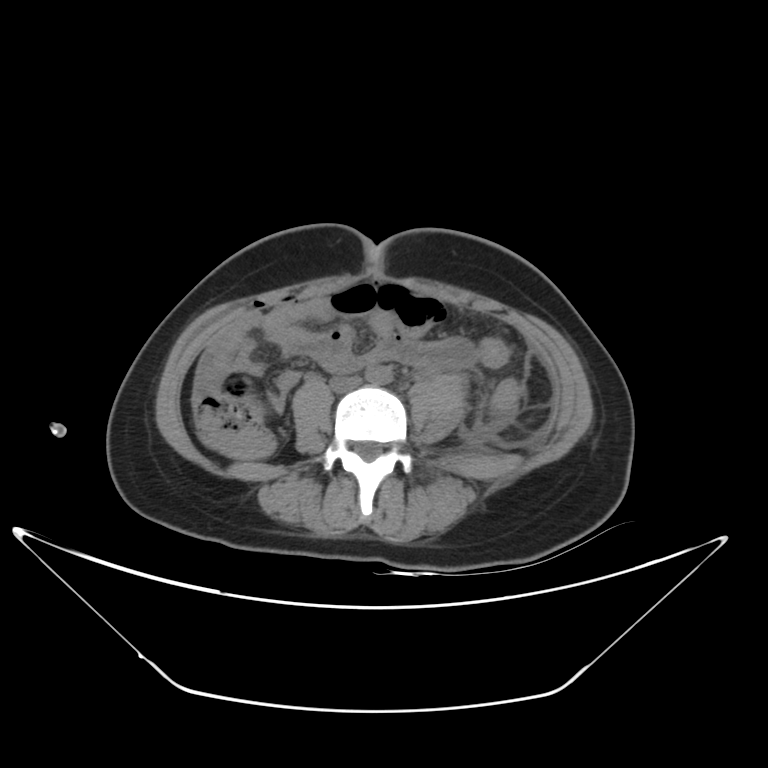

CT abdomen. axial view. soft-tissue window (W 400 / L 40)
<organs><organ name="aorta" x1="365" y1="366" x2="392" y2="384"/><organ name="inferior vena cava" x1="330" y1="375" x2="361" y2="390"/></organs>